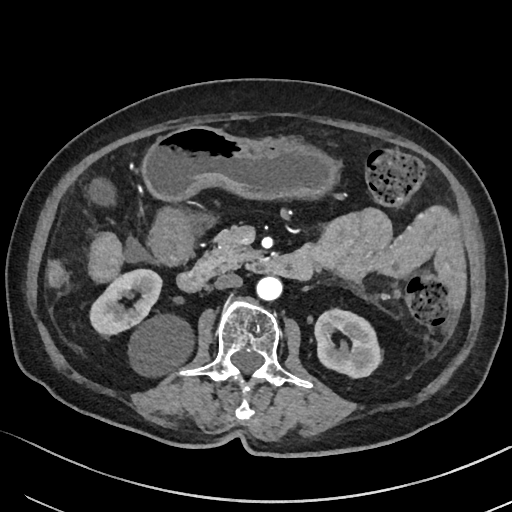 CT, abdomen/pelvis; Axial slice 149/297; soft-tissue window (W 400 / L 40)
<organs><organ name="right kidney" x1="90" y1="269" x2="193" y2="375"/><organ name="left kidney" x1="314" y1="309" x2="380" y2="377"/><organ name="gall bladder" x1="88" y1="178" x2="115" y2="206"/><organ name="liver" x1="47" y1="260" x2="66" y2="287"/><organ name="stomach" x1="142" y1="126" x2="339" y2="267"/><organ name="aorta" x1="256" y1="276" x2="282" y2="300"/><organ name="inferior vena cava" x1="214" y1="273" x2="242" y2="289"/><organ name="pancreas" x1="195" y1="226" x2="259" y2="276"/><organ name="duodenum" x1="177" y1="255" x2="312" y2="292"/></organs>